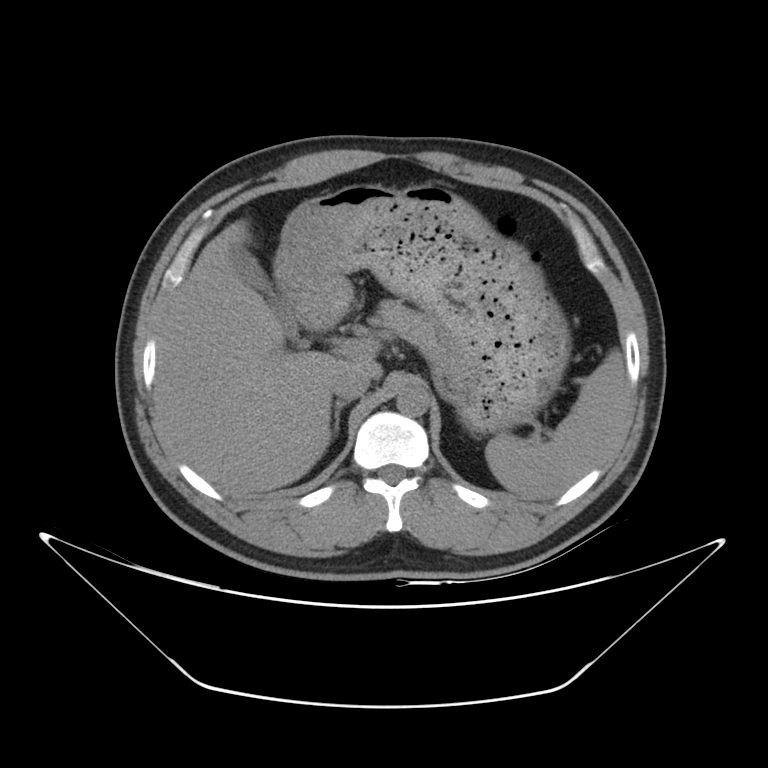
CT abdomen · axial view · soft-tissue window (W 400 / L 40) · 768x768 px
Organ boxes in pixel coordinates; each row gives the top-left (x1, y1) and bottom-right (x2, y2) corners.
| organ | x1 | y1 | x2 | y2 |
|---|---|---|---|---|
| pancreas | 370 | 300 | 451 | 373 |
| spleen | 485 | 350 | 624 | 499 |
| stomach | 273 | 184 | 570 | 434 |
| right adrenal gland | 333 | 401 | 349 | 435 |
| liver | 154 | 220 | 381 | 498 |
| inferior vena cava | 329 | 363 | 371 | 399 |
| gall bladder | 229 | 246 | 299 | 340 |
| aorta | 396 | 382 | 430 | 416 |